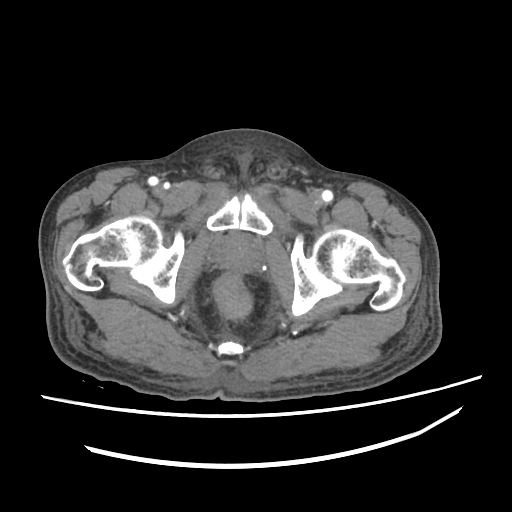 Computed tomography, abdomen; axial plane, index 21; 50-year-old male patient
Bounding boxes as [x1, y1, x2, y2] in pixel coordinates. 1 labeled organ on this slice — prostate/uterus at [214, 232, 261, 272].